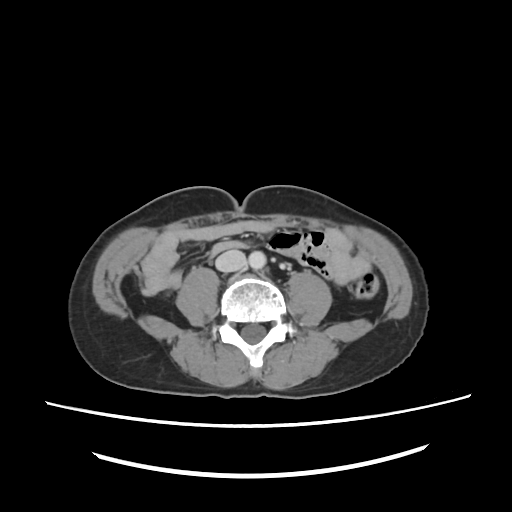 CT, abdomen/pelvis — Axial slice 45/126 — W/L 400/40 HU — 512x512 px — 15 organs annotated in this scan (counted over the whole 3D scan, not this slice; an organ is boxed only where this slice passes through it)
Coordinates as <box>x1,y1,x2,y2</box> in pixels.
aorta: <box>249,251,266,268</box>
inferior vena cava: <box>215,249,246,271</box>